CT abdomen · axial plane, index 163 · soft-tissue window (W 400 / L 40)
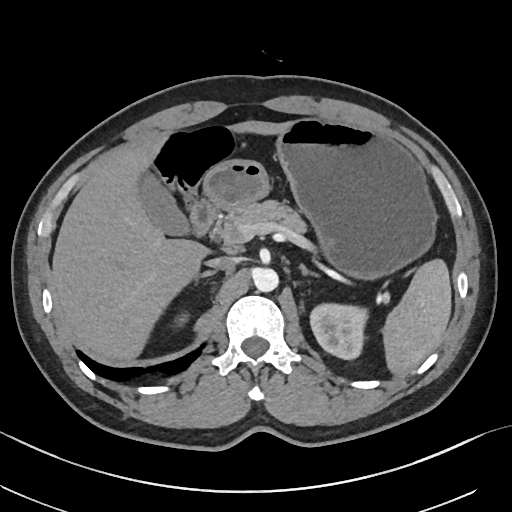
Bounding boxes in pixels, one row per box: x1, y1 is the top-left corner and x2, y2 the bottom-right.
| organ | x1 | y1 | x2 | y2 |
|---|---|---|---|---|
| spleen | 382 | 259 | 451 | 374 |
| right kidney | 180 | 313 | 188 | 321 |
| left kidney | 310 | 303 | 368 | 359 |
| gall bladder | 136 | 169 | 189 | 234 |
| liver | 52 | 120 | 291 | 361 |
| stomach | 203 | 118 | 436 | 279 |
| aorta | 253 | 268 | 278 | 292 |
| inferior vena cava | 205 | 257 | 236 | 270 |
| pancreas | 211 | 200 | 306 | 252 |
| right adrenal gland | 194 | 270 | 215 | 280 |
| left adrenal gland | 299 | 264 | 318 | 276 |
| duodenum | 190 | 200 | 217 | 236 |